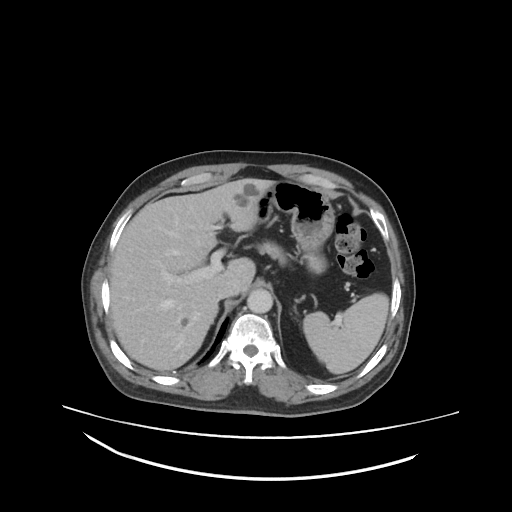 Abdominal CT · axial view · soft-tissue window · 512x512 px · Aquilion ONE scanner · 15 organs annotated in this scan (counted over the whole 3D scan, not this slice; an organ is boxed only where this slice passes through it)
Coordinates as <box>x1,y1,x2,y2</box> in pixels.
spleen: <box>303,293,389,373</box>
liver: <box>109,178,276,370</box>
stomach: <box>231,179,335,273</box>
aorta: <box>247,289,273,313</box>
inferior vena cava: <box>215,282,240,299</box>
pancreas: <box>260,242,284,262</box>
right adrenal gland: <box>211,306,217,324</box>
left adrenal gland: <box>295,309,297,313</box>